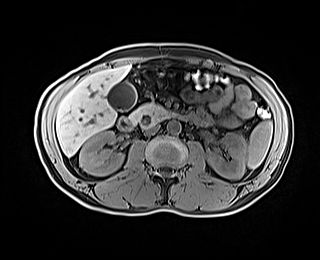
Abdominal MR. axial plane, index 32. 1st–99th percentile window. 320x260 px. 13 organs annotated in this scan (that count is for the whole scan; organs this slice misses have no box)
{"organs":{"spleen":[247,120,272,168],"right kidney":[79,131,124,175],"left kidney":[207,133,246,178],"gall bladder":[106,82,136,110],"liver":[56,64,130,156],"aorta":[167,120,181,134],"inferior vena cava":[145,125,159,134],"pancreas":[128,102,177,128],"duodenum":[117,113,197,131]}}